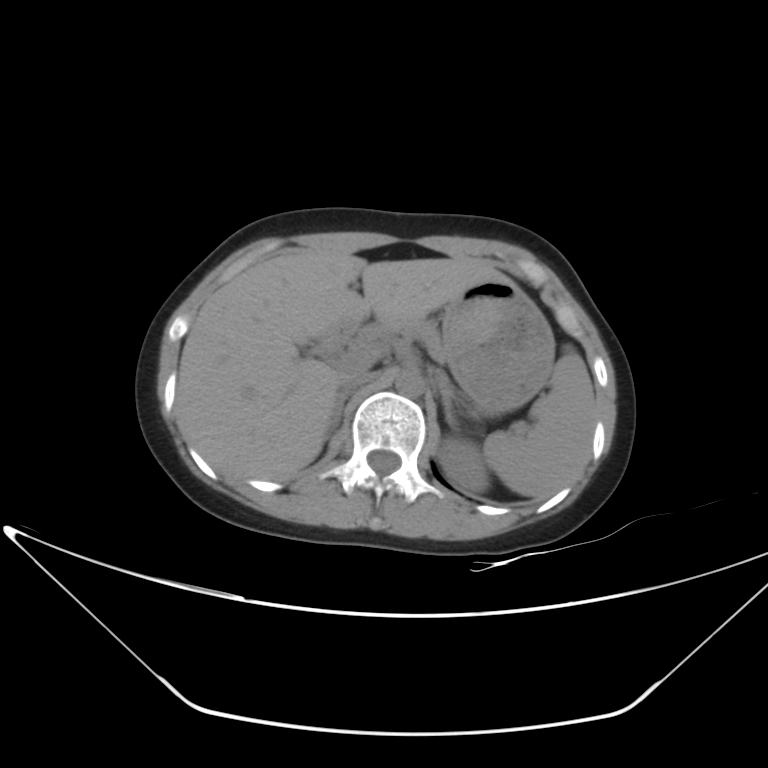
Abdominal CT. Axial slice 64/81
Organ boxes in pixel coordinates; each row gives the top-left (x1, y1) and bottom-right (x2, y2) corners.
| organ | x1 | y1 | x2 | y2 |
|---|---|---|---|---|
| spleen | 484 | 347 | 594 | 497 |
| right adrenal gland | 327 | 394 | 347 | 439 |
| left kidney | 438 | 437 | 489 | 492 |
| liver | 176 | 249 | 510 | 480 |
| duodenum | 328 | 324 | 357 | 344 |
| aorta | 395 | 369 | 423 | 396 |
| pancreas | 351 | 321 | 446 | 363 |
| stomach | 443 | 281 | 555 | 413 |
| left adrenal gland | 438 | 376 | 456 | 433 |
| inferior vena cava | 337 | 371 | 373 | 393 |